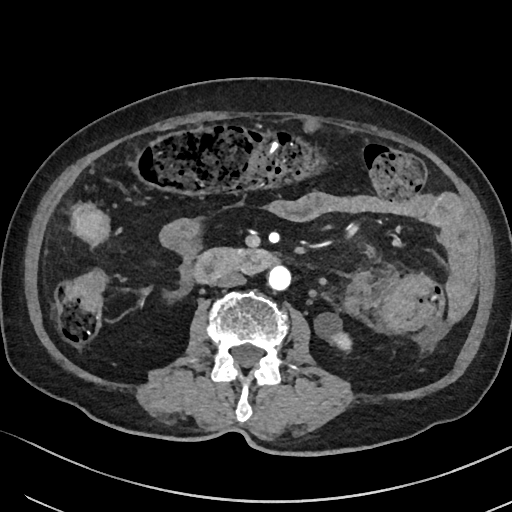 Computed tomography, abdomen · axial view · W/L 400/40 HU
{"organs":{"left kidney":[315,314,351,350],"inferior vena cava":[217,272,246,287],"duodenum":[194,247,275,283],"aorta":[268,265,291,290]}}